CT, abdomen/pelvis. axial plane, index 58. 54-year-old male patient. Aquilion ONE scanner
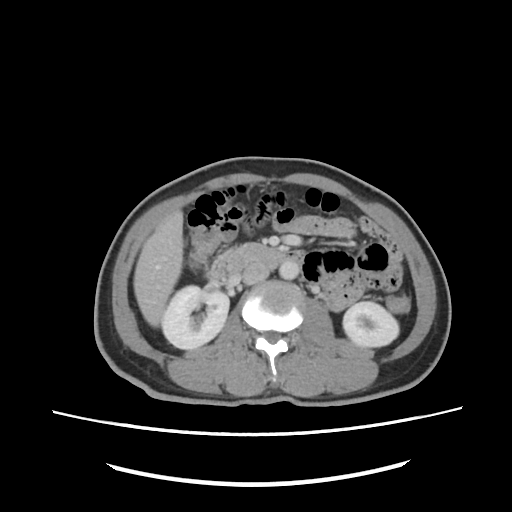
Boxes: x1 y1 x2 y2 (pixel coords, space-separated).
Organ bounding boxes:
- right kidney: 162 285 229 349
- left kidney: 343 301 399 347
- liver: 133 211 183 326
- aorta: 279 261 299 279
- inferior vena cava: 241 262 269 284
- pancreas: 230 243 266 255
- duodenum: 206 248 304 280